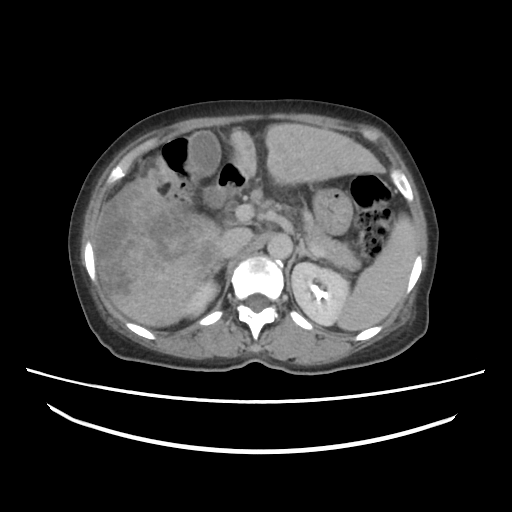
Computed tomography, abdomen. axial plane, index 68. soft-tissue window. 512x512 px
<organs><organ name="spleen" x1="335" y1="215" x2="416" y2="331"/><organ name="right kidney" x1="188" y1="280" x2="217" y2="316"/><organ name="left kidney" x1="291" y1="263" x2="350" y2="325"/><organ name="gall bladder" x1="191" y1="130" x2="223" y2="206"/><organ name="liver" x1="94" y1="123" x2="384" y2="325"/><organ name="stomach" x1="312" y1="186" x2="353" y2="235"/><organ name="aorta" x1="268" y1="234" x2="292" y2="258"/><organ name="inferior vena cava" x1="220" y1="229" x2="250" y2="258"/><organ name="pancreas" x1="260" y1="206" x2="359" y2="268"/><organ name="right adrenal gland" x1="209" y1="261" x2="225" y2="277"/><organ name="left adrenal gland" x1="297" y1="242" x2="313" y2="258"/><organ name="duodenum" x1="216" y1="161" x2="249" y2="195"/></organs>